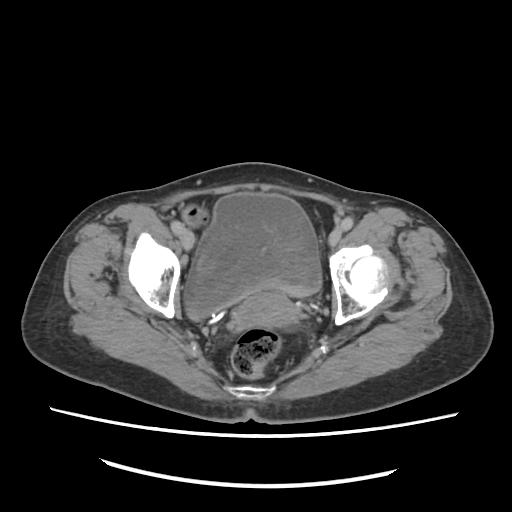

CT, abdomen/pelvis. Axial slice 22/89. 512x512 px. scan has 15 labeled organs (that count is for the whole scan; organs this slice misses have no box)
{"organs":{"prostate/uterus":[237,290,292,327],"bladder":[184,192,321,318]}}